CT, abdomen/pelvis — axial view — abdomen soft-tissue window — acquired on Aquilion ONE — scan has 15 labeled organs (a whole-scan count: organs this slice does not pass through have no box)
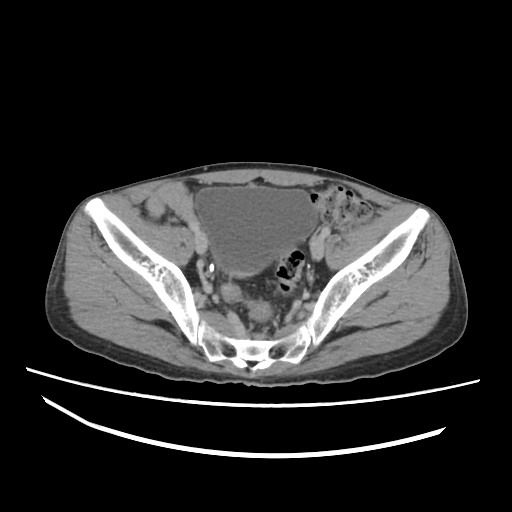

One row per box, in pixels: columns x1 and y1 give the top-left corner, x2 and y2 the bottom-right.
| organ | x1 | y1 | x2 | y2 |
|---|---|---|---|---|
| bladder | 195 | 185 | 317 | 275 |